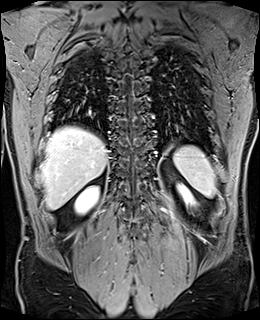

Abdominal MRI; coronal plane, index 23; Prisma scanner
Each box given as x1,y1,x2,y2.
Organ bounding boxes:
- spleen: x1=173, y1=145, x2=216, y2=197
- right kidney: x1=75, y1=186, x2=98, y2=213
- left kidney: x1=178, y1=185, x2=194, y2=205
- liver: x1=41, y1=127, x2=107, y2=209